CT, abdomen/pelvis; Axial slice 14/83; 768x768 px; 59-year-old male patient; scan has 15 labeled organs (counted over the whole 3D scan, not this slice; an organ is boxed only where this slice passes through it)
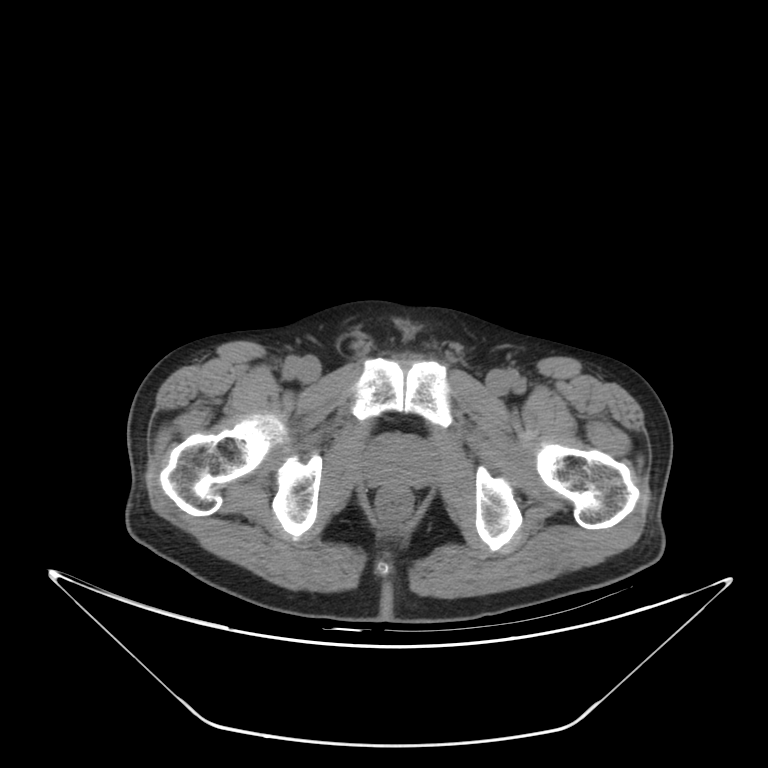

<organs><organ name="prostate/uterus" x1="365" y1="434" x2="432" y2="486"/></organs>